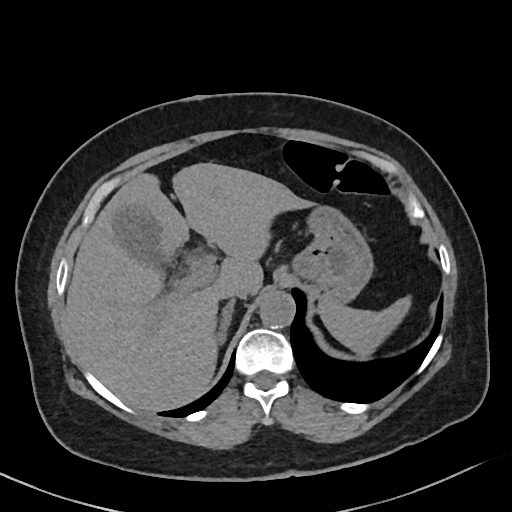 Abdominal CT. axial plane, index 156. 512x512 px. SOMATOM Force scanner
Boxes are (x1, y1, x2, y2) in pixels.
Organ bounding boxes:
- liver: (66, 163, 309, 411)
- inferior vena cava: (222, 284, 250, 298)
- spleen: (319, 296, 411, 356)
- aorta: (260, 290, 295, 327)
- stomach: (295, 206, 374, 304)
- right adrenal gland: (216, 299, 234, 342)
- gall bladder: (112, 202, 166, 266)